Abdominal CT; axial view; W/L 400/40 HU; 14 organs annotated in this scan (counted over the whole 3D scan, not this slice; an organ is boxed only where this slice passes through it)
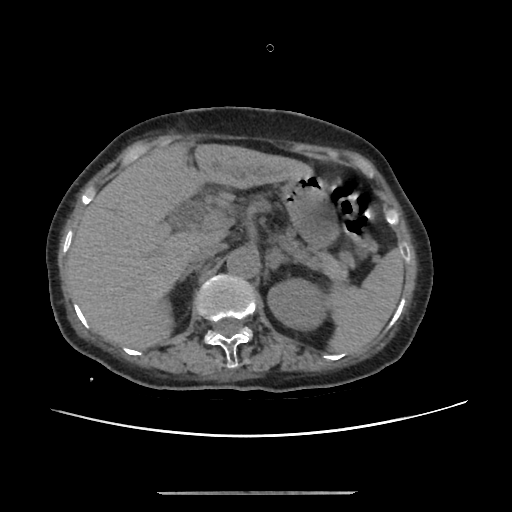 Bounding boxes as [x1, y1, x2, y2] in pixel coordinates.
aorta: [226, 248, 259, 278]
left kidney: [268, 280, 325, 327]
spleen: [328, 249, 403, 353]
left adrenal gland: [266, 248, 284, 271]
right adrenal gland: [179, 269, 200, 282]
stomach: [282, 175, 339, 250]
inferior vena cava: [188, 243, 222, 269]
pancreas: [283, 231, 352, 281]
liver: [68, 142, 313, 349]